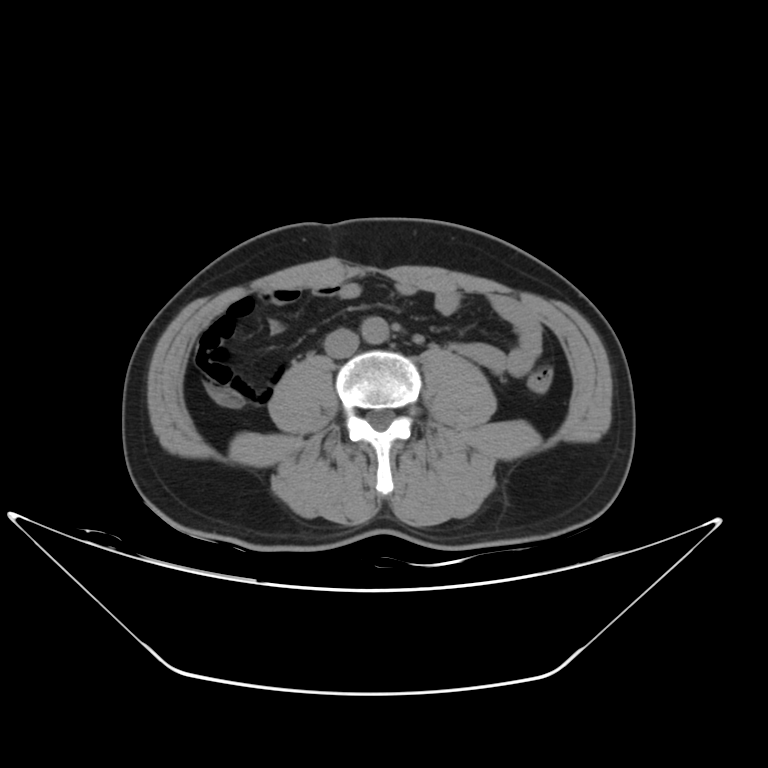 Computed tomography, abdomen. axial view. 768x768 px. 53-year-old male patient
<organs><organ name="aorta" x1="362" y1="316" x2="389" y2="343"/><organ name="inferior vena cava" x1="323" y1="326" x2="356" y2="356"/></organs>